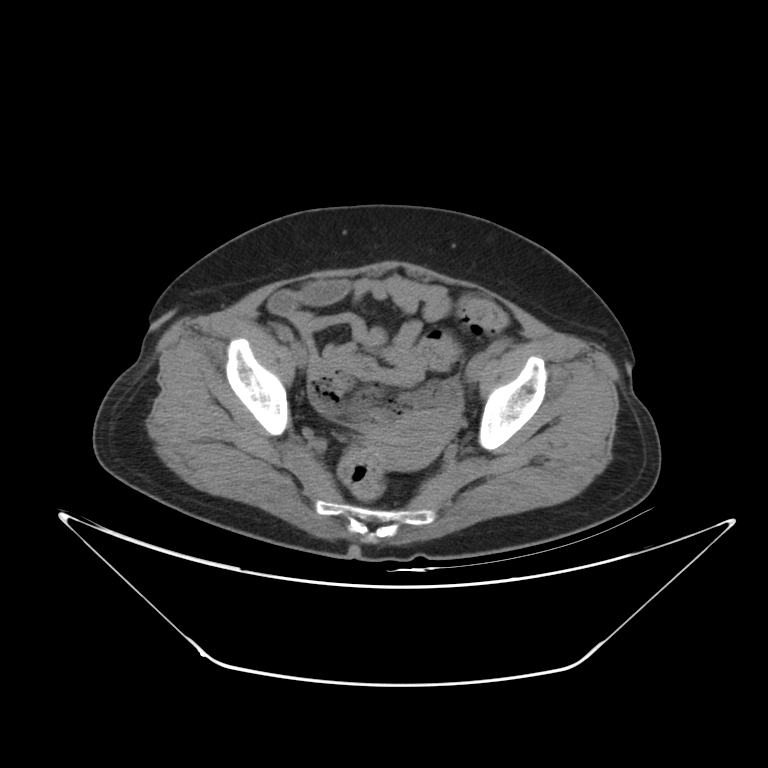
CT, abdomen/pelvis — axial view — 768x768 px — acquired on Brilliance16 — 15 organs annotated in this scan (counted over the whole 3D scan, not this slice; an organ is boxed only where this slice passes through it)
Organ boxes in pixel coordinates; each row gives the top-left (x1, y1) and bottom-right (x2, y2) corners.
| organ | x1 | y1 | x2 | y2 |
|---|---|---|---|---|
| prostate/uterus | 378 | 410 | 453 | 470 |